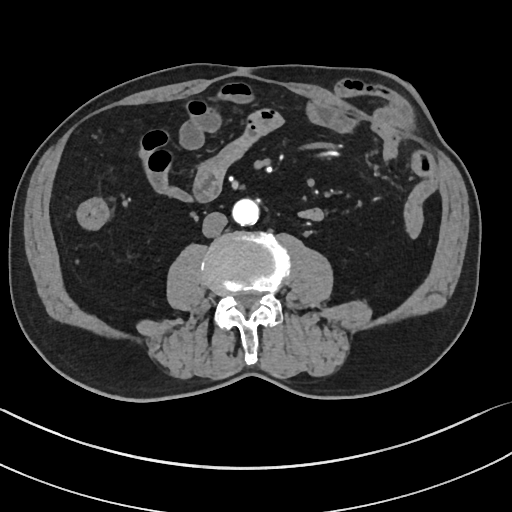
CT abdomen; axial view; acquired on SOMATOM Force
<organs><organ name="aorta" x1="232" y1="198" x2="258" y2="225"/><organ name="inferior vena cava" x1="202" y1="212" x2="227" y2="237"/></organs>